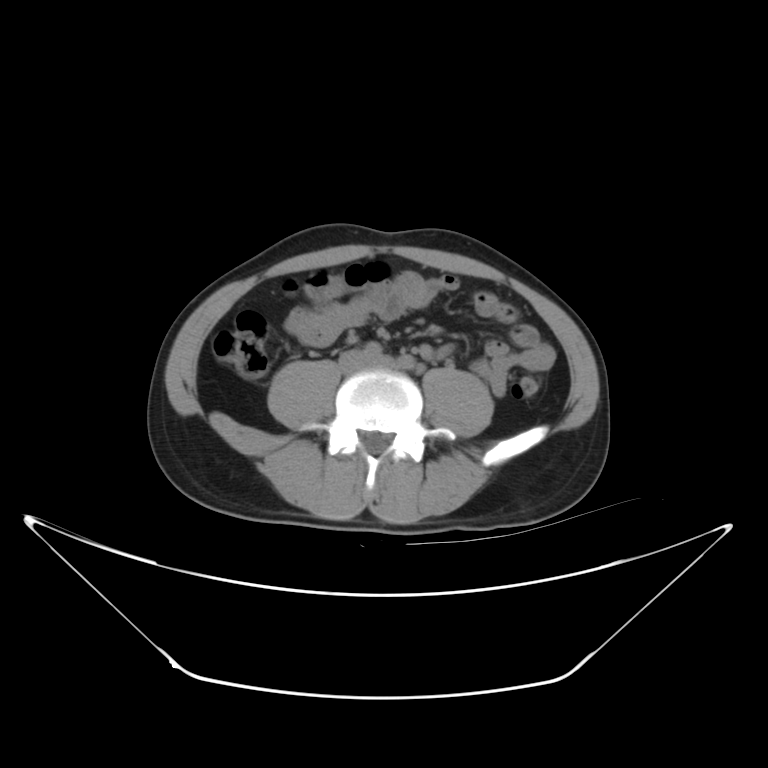 Abdominal CT. axial plane, index 44. 768x768 px
Each box given as x1,y1,x2,y2.
Organ bounding boxes:
- inferior vena cava: x1=337, y1=347, x2=372, y2=372